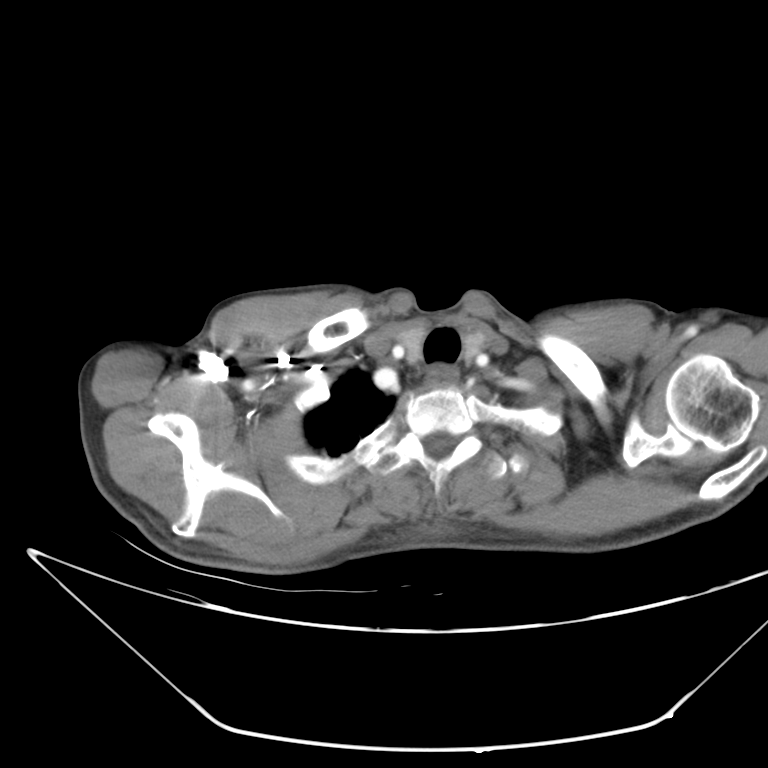
Abdominal CT reaching into the chest; this slice is in the chest. axial view
On a slice this high in the chest, this dataset labels only the esophagus and the aorta, and each is boxed only where it is labeled; the heart, lungs and other chest structures are not labeled. Bounding boxes as [x1, y1, x2, y2] in pixel coordinates. The annotated organs in this slice are: esophagus at [425, 365, 460, 391].